CT abdomen · axial view · W/L 400/40 HU
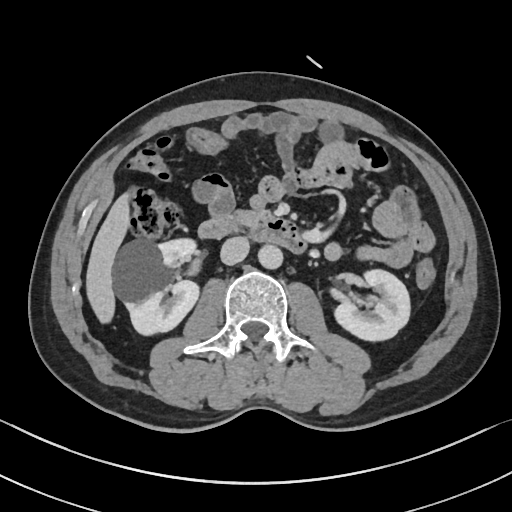 Each box given as x1,y1,x2,y2. The annotated organs in this slice are: right kidney at x1=114, y1=238, x2=199, y2=335, left kidney at x1=334, y1=269, x2=410, y2=340, liver at x1=86, y1=193, x2=129, y2=323, aorta at x1=258, y1=244, x2=282, y2=269, inferior vena cava at x1=220, y1=236, x2=249, y2=265, pancreas at x1=233, y1=210, x2=262, y2=226, duodenum at x1=198, y1=215, x2=306, y2=253.